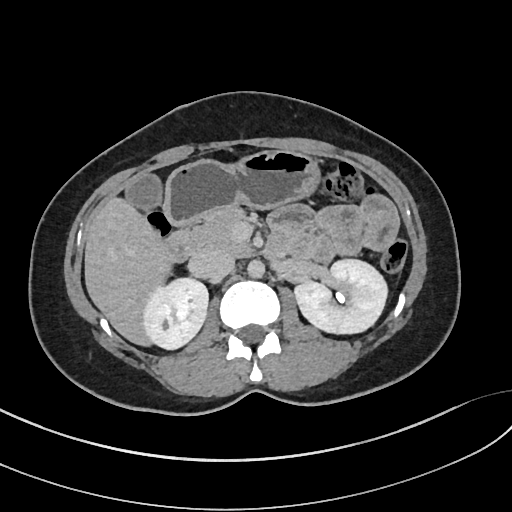 CT, abdomen/pelvis; axial view; 512x512 px
Each box given as x1,y1,x2,y2.
Organ bounding boxes:
- right kidney: x1=143, y1=278, x2=208, y2=349
- left kidney: x1=294, y1=259, x2=387, y2=333
- gall bladder: x1=126, y1=174, x2=162, y2=210
- liver: x1=84, y1=196, x2=173, y2=345
- stomach: x1=165, y1=150, x2=320, y2=225
- aorta: x1=247, y1=259, x2=264, y2=278
- inferior vena cava: x1=188, y1=249, x2=234, y2=280
- pancreas: x1=193, y1=206, x2=250, y2=255
- duodenum: x1=164, y1=228, x2=197, y2=261